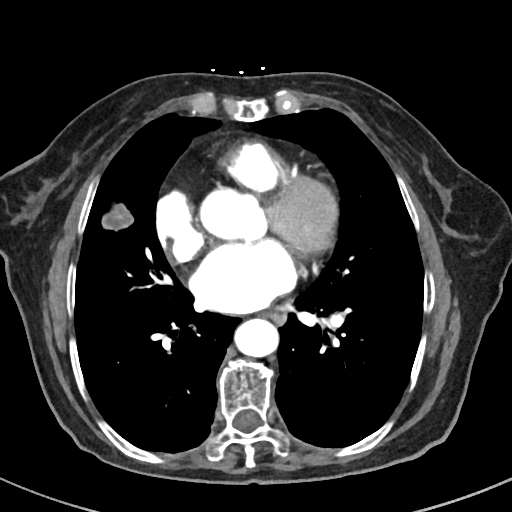 Lower-chest slice from an abdominal CT, just above the liver and spleen; axial view; soft-tissue window (W 400 / L 40); SOMATOM Force scanner
Of the structures in the chest, this dataset labels only the esophagus, the aorta and the inferior vena cava; the heart and lungs have no label.
Organ boxes in pixel coordinates; each row gives the top-left (x1, y1) and bottom-right (x2, y2) corners.
| organ | x1 | y1 | x2 | y2 |
|---|---|---|---|---|
| esophagus | 264 | 313 | 286 | 324 |
| aorta | 198 | 188 | 267 | 242 |
| aorta | 235 | 319 | 279 | 357 |